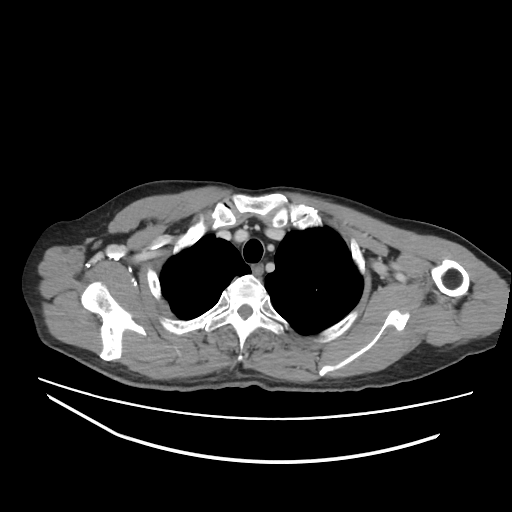
Abdominal CT reaching into the chest; this slice is in the chest · axial view · W/L 400/40 HU · 54-year-old male patient · scan has 15 labeled organs (that count is for the whole scan; organs this slice misses have no box)
On a slice this high in the chest, this dataset labels only the esophagus and the aorta, and each is boxed only where it is labeled; the heart, lungs and other chest structures are not labeled. Bounding boxes as [x1, y1, x2, y2] in pixel coordinates. The annotated organs in this slice are: esophagus at [251, 262, 264, 275].